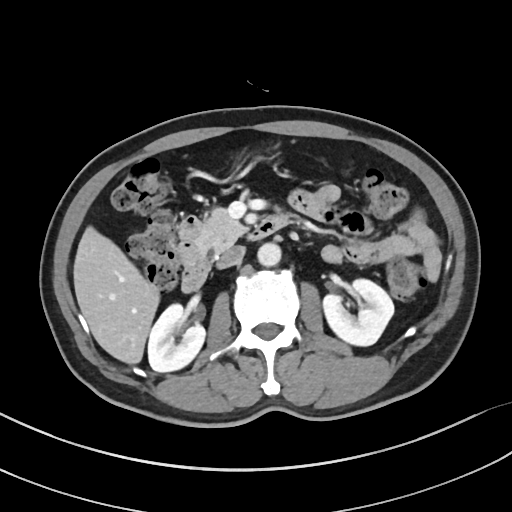
Computed tomography, abdomen · axial view
<organs><organ name="stomach" x1="241" y1="148" x2="274" y2="164"/><organ name="liver" x1="73" y1="226" x2="159" y2="364"/><organ name="aorta" x1="257" y1="243" x2="281" y2="266"/><organ name="left kidney" x1="323" y1="279" x2="394" y2="345"/><organ name="pancreas" x1="193" y1="207" x2="246" y2="256"/><organ name="right kidney" x1="147" y1="304" x2="205" y2="372"/><organ name="duodenum" x1="179" y1="214" x2="289" y2="292"/><organ name="inferior vena cava" x1="216" y1="245" x2="245" y2="268"/></organs>